Abdominal CT; axial view; 768x768 px; scan has 15 labeled organs (that count is for the whole scan; organs this slice misses have no box)
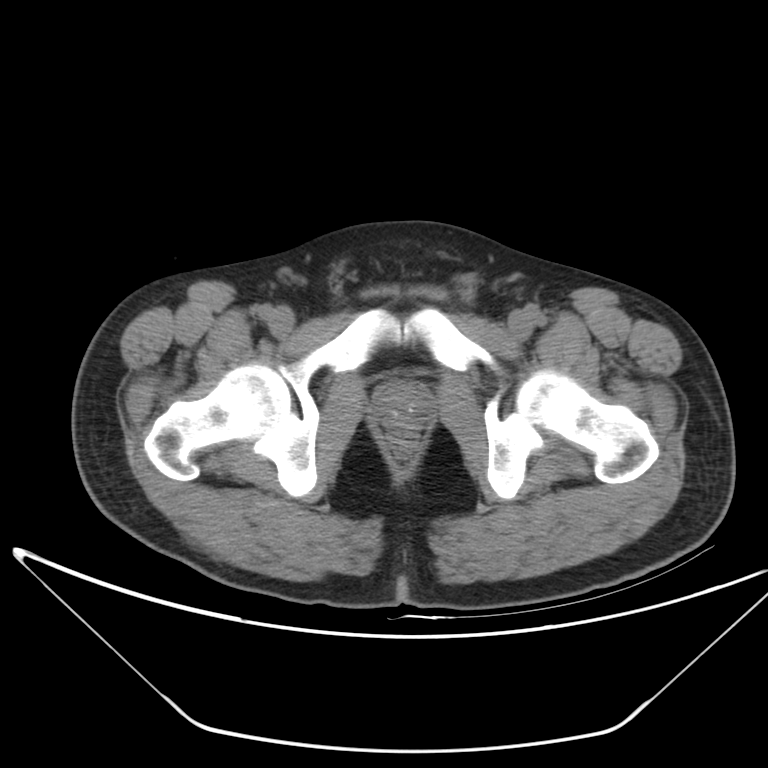

Boxes are (x1, y1, x2, y2) in pixels.
prostate/uterus: (375, 383, 432, 433)